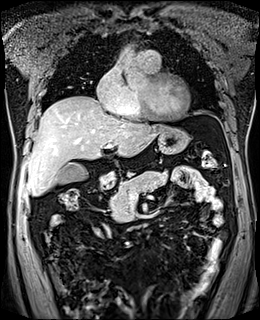 MRI, abdomen. coronal view. 260x320 px. acquired on Prisma. scan has 13 labeled organs (a whole-scan count: organs this slice does not pass through have no box)
Each box given as x1,y1,x2,y2. 6 labeled organs on this slice — gall bladder at x1=57, y1=162, x2=87, y2=184; liver at x1=27, y1=96, x2=166, y2=195; stomach at x1=99, y1=127, x2=189, y2=185; aorta at x1=123, y1=47, x2=134, y2=48; pancreas at x1=109, y1=170, x2=167, y2=222; duodenum at x1=102, y1=182, x2=115, y2=188.